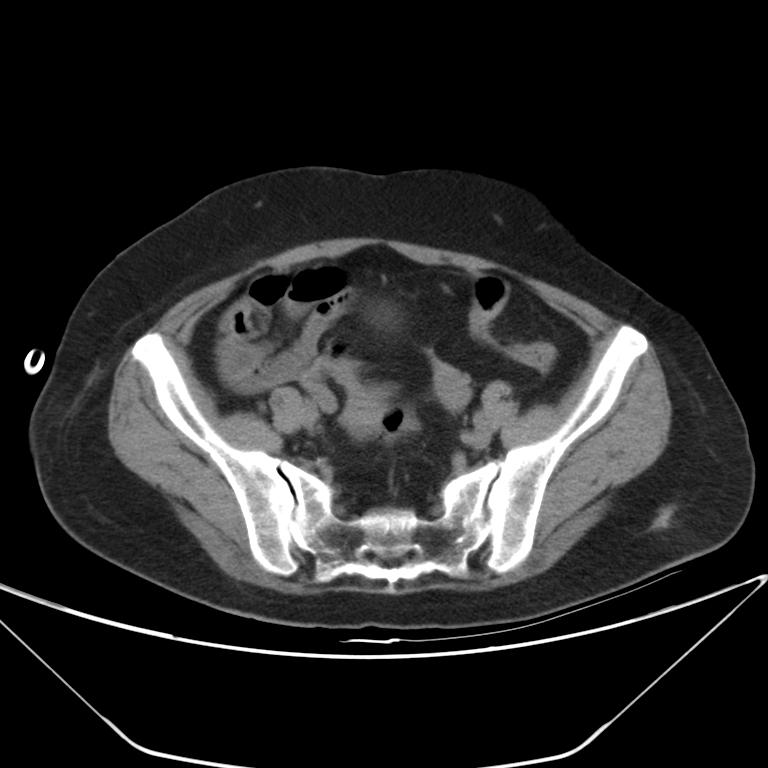

Computed tomography, abdomen — axial view — soft-tissue window
Bounding boxes as [x1, y1, x2, y2] in pixel coordinates. 1 labeled organ on this slice — prostate/uterus at [348, 390, 383, 427].